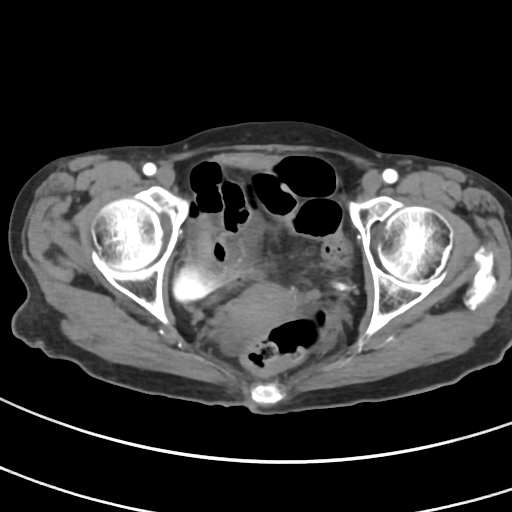
CT, abdomen/pelvis · axial view · abdomen soft-tissue window · acquired on SOMATOM Force
One row per box, in pixels: columns x1 and y1 give the top-left corner, x2 and y2 the bottom-right.
| organ | x1 | y1 | x2 | y2 |
|---|---|---|---|---|
| bladder | 173 | 214 | 264 | 302 |
| prostate/uterus | 222 | 284 | 297 | 336 |